Abdominal CT · axial view
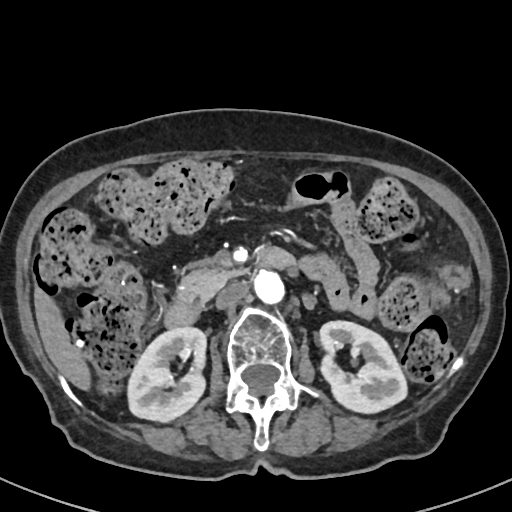 Bounding boxes as [x1, y1, x2, y2] in pixel coordinates.
Organ bounding boxes:
- right kidney: [129, 327, 207, 420]
- left kidney: [318, 321, 406, 411]
- liver: [34, 287, 91, 391]
- aorta: [252, 267, 283, 302]
- inferior vena cava: [216, 281, 248, 308]
- pancreas: [175, 264, 242, 301]
- duodenum: [164, 247, 295, 327]